Computed tomography, abdomen. axial plane, index 76. soft-tissue window (W 400 / L 40)
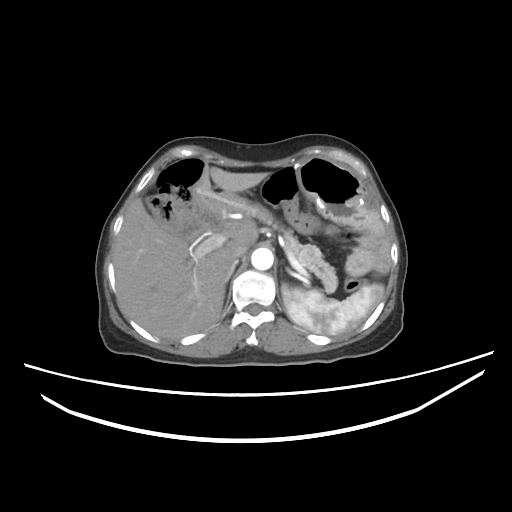

<organs><organ name="spleen" x1="282" y1="282" x2="383" y2="336"/><organ name="liver" x1="114" y1="166" x2="269" y2="339"/><organ name="stomach" x1="292" y1="157" x2="362" y2="221"/><organ name="aorta" x1="251" y1="247" x2="273" y2="271"/><organ name="inferior vena cava" x1="226" y1="242" x2="249" y2="264"/><organ name="pancreas" x1="242" y1="200" x2="338" y2="292"/><organ name="right adrenal gland" x1="224" y1="260" x2="237" y2="282"/><organ name="duodenum" x1="192" y1="202" x2="224" y2="231"/></organs>